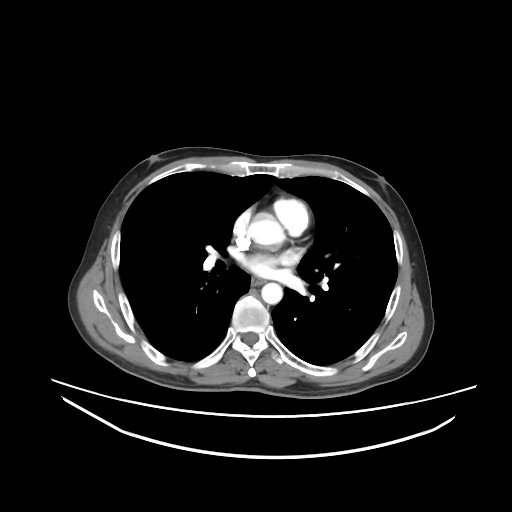

Chest-level slice from an abdominal CT that extends up into the chest — axial view — 52-year-old male patient — acquired on Aquilion ONE — scan has 15 labeled organs (counted over the whole 3D scan, not this slice; an organ is boxed only where this slice passes through it)
At this level of the chest this dataset labels only the esophagus and the aorta, and each is boxed only where it is labeled; the heart and lungs are never labeled.
<organs><organ name="esophagus" x1="251" y1="278" x2="264" y2="285"/><organ name="aorta" x1="248" y1="213" x2="284" y2="245"/><organ name="aorta" x1="261" y1="282" x2="282" y2="304"/></organs>